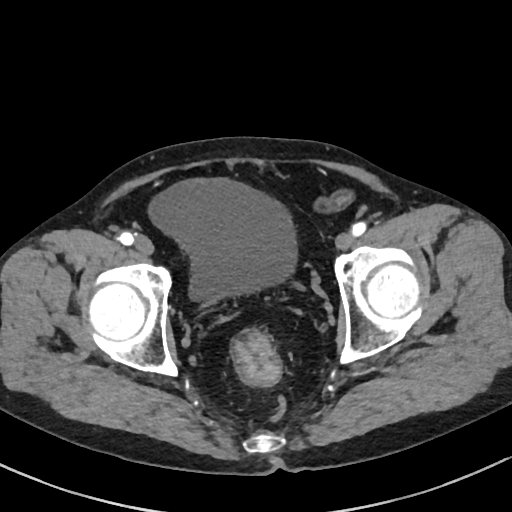

Computed tomography, abdomen; axial view; W/L 400/40 HU; 512x512 px; acquired on SOMATOM Force; scan has 15 labeled organs (counted over the whole 3D scan, not this slice; an organ is boxed only where this slice passes through it)
Bounding boxes in pixels, one row per box: x1, y1 is the top-left corner and x2, y2 the bottom-right.
| organ | x1 | y1 | x2 | y2 |
|---|---|---|---|---|
| bladder | 151 | 180 | 297 | 303 |